CT of the abdomen extending into the chest, slice through the chest — axial view — soft-tissue window (W 400 / L 40) — 768x768 px — 51-year-old male patient
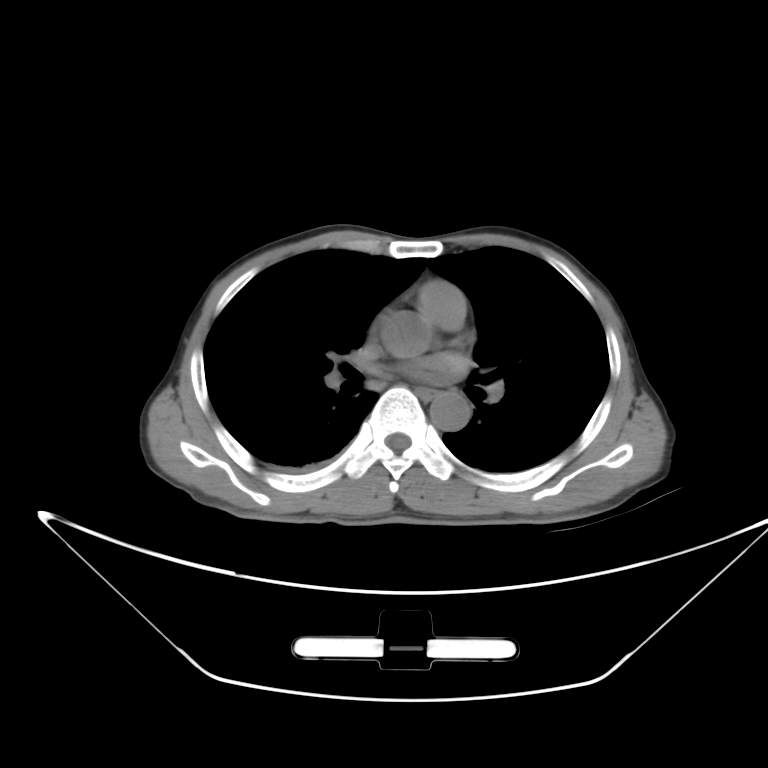 On a slice this high in the chest, this dataset labels only the esophagus and the aorta, and each is boxed only where it is labeled; the heart, lungs and other chest structures are not labeled.
{"organs":{"esophagus":[415,388,435,400],"aorta":[429,395,466,429]}}